CT, abdomen/pelvis · axial plane, index 89 · acquired on SOMATOM Force
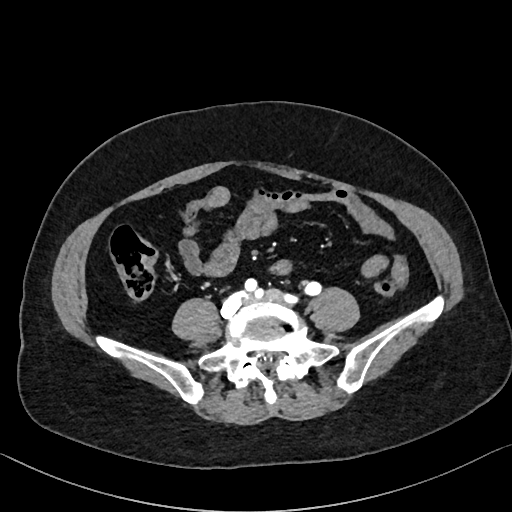
Each box given as x1,y1,x2,y2.
aorta: x1=252, y1=284, x2=254, y2=285